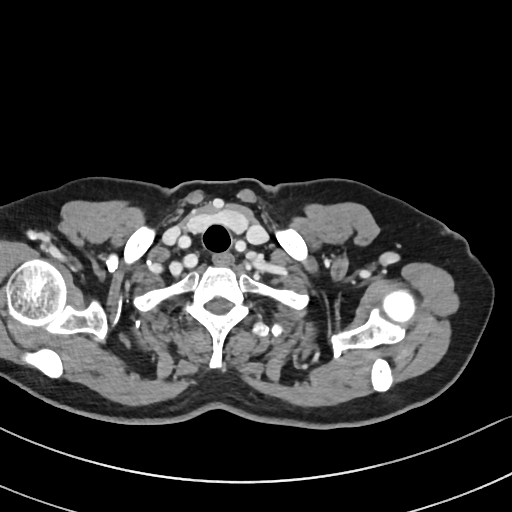
Chest-level slice from an abdominal CT that extends up into the chest; axial view; 512x512 px; SOMATOM Force scanner
On a slice this high in the chest, this dataset labels only the esophagus and the aorta, and each is boxed only where it is labeled; the heart, lungs and other chest structures are not labeled.
<organs><organ name="esophagus" x1="214" y1="253" x2="234" y2="264"/></organs>